CT of the abdomen reaching into the lower chest, slice just above the liver and spleen — axial view — soft-tissue window — 512x512 px
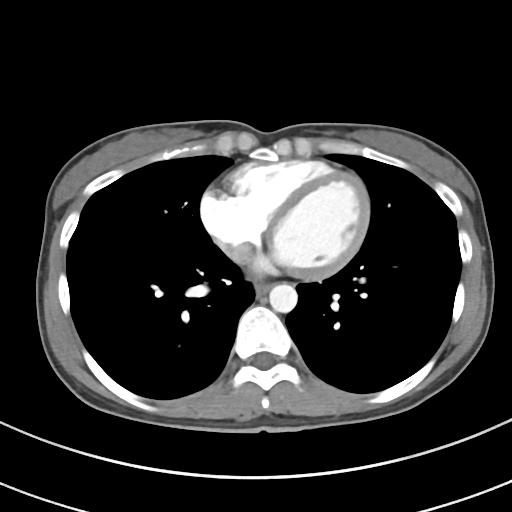 The heart and lungs are never labeled in this dataset, so they have no box on this slice.
Box edges are left/top/right/bottom in pixels.
esophagus: left=255, top=283, right=270, bottom=295
aorta: left=269, top=284, right=297, bottom=312